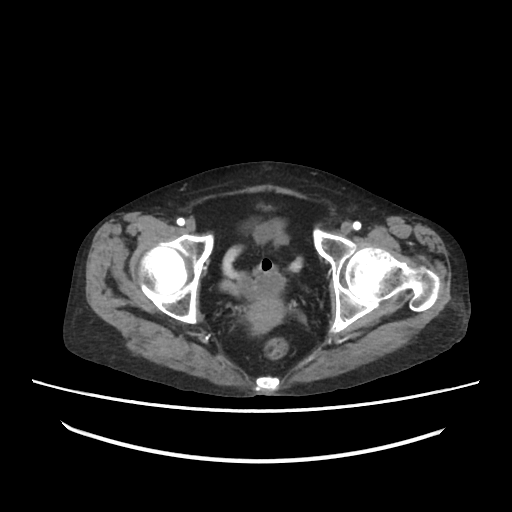 CT, abdomen/pelvis — Axial slice 17/89 — 61-year-old female patient
{"organs":{"prostate/uterus":[246,299,281,332]}}